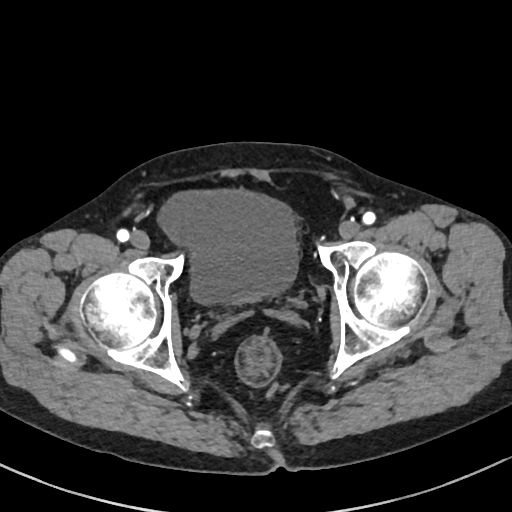 CT, abdomen/pelvis; axial view; W/L 400/40 HU; 512x512 px; acquired on SOMATOM Force
Boxes: x1 y1 x2 y2 (pixel coords, space-separated).
bladder: 158 190 298 303